CT, abdomen/pelvis — axial view — scan has 15 labeled organs (that count is for the whole scan; organs this slice misses have no box)
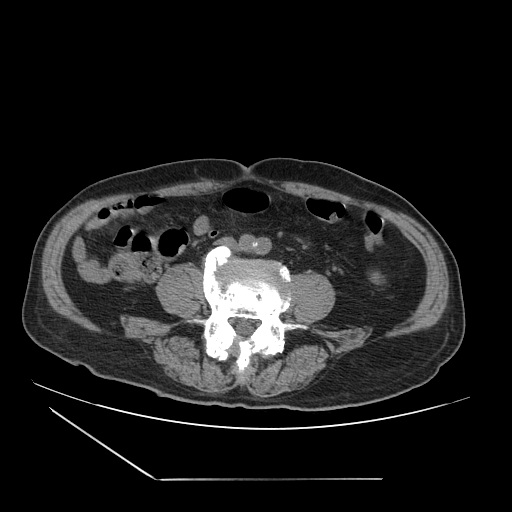
<organs><organ name="inferior vena cava" x1="215" y1="237" x2="236" y2="248"/></organs>